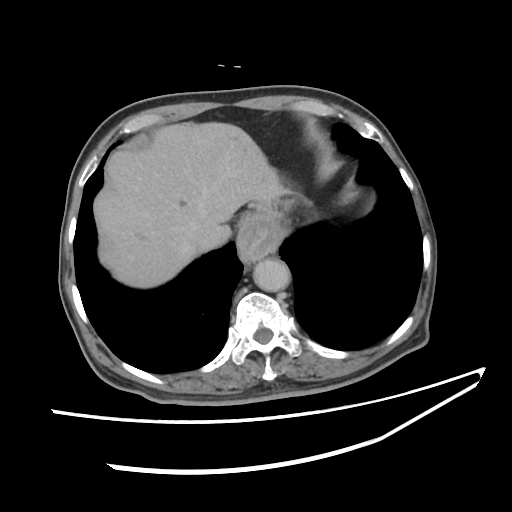
CT, abdomen/pelvis; axial view; abdomen soft-tissue window; 83-year-old male patient; Aquilion ONE scanner
<organs><organ name="esophagus" x1="236" y1="234" x2="282" y2="241"/><organ name="liver" x1="94" y1="121" x2="290" y2="287"/><organ name="stomach" x1="234" y1="194" x2="311" y2="263"/><organ name="aorta" x1="253" y1="257" x2="290" y2="291"/><organ name="inferior vena cava" x1="197" y1="224" x2="229" y2="251"/></organs>